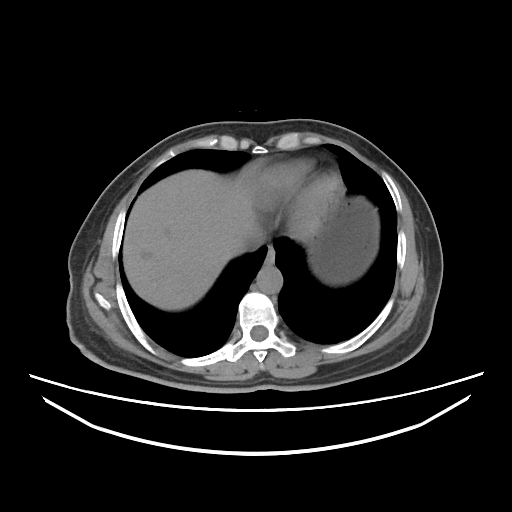 Abdominal CT — axial plane, index 89 — soft-tissue window — 49-year-old female patient — Aquilion ONE scanner
Each box given as x1,y1,x2,y2.
esophagus: x1=264, y1=245, x2=275, y2=265
liver: x1=123, y1=169, x2=260, y2=310
stomach: x1=307, y1=196, x2=378, y2=285
aorta: x1=256, y1=266, x2=282, y2=293
inferior vena cava: x1=244, y1=229, x2=265, y2=251